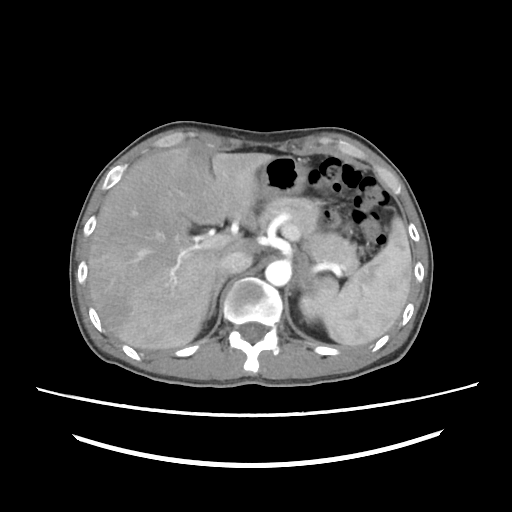 CT, abdomen/pelvis. axial view. scan has 13 labeled organs (counted over the whole 3D scan, not this slice; an organ is boxed only where this slice passes through it)
Box edges are left/top/right/bottom in pixels.
Organ bounding boxes:
- right adrenal gland: left=206, top=277, right=225, bottom=318
- pancreas: left=258, top=197, right=357, bottom=276
- stomach: left=255, top=156, right=319, bottom=222
- inferior vena cava: left=218, top=252, right=252, bottom=276
- spleen: left=314, top=215, right=411, bottom=346
- left kidney: left=300, top=290, right=319, bottom=322
- left adrenal gland: left=289, top=253, right=313, bottom=294
- liver: left=88, top=148, right=275, bottom=348
- aorta: left=266, top=261, right=290, bottom=285